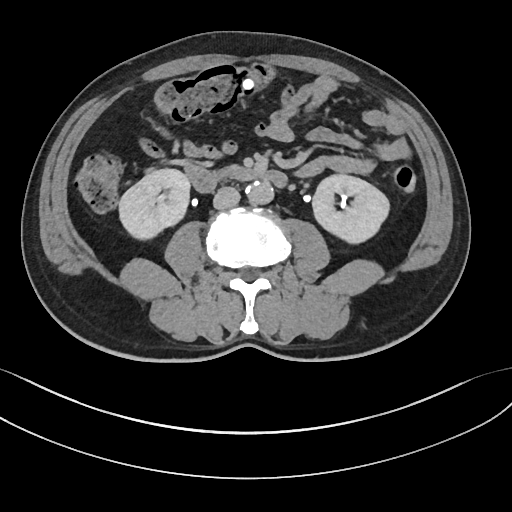

CT abdomen · axial plane, index 127 · 512x512 px
Box edges are left/top/right/bottom in pixels.
right kidney: left=118, top=169, right=190, bottom=238
left kidney: left=312, top=175, right=390, bottom=242
aorta: left=248, top=181, right=274, bottom=204
inferior vena cava: left=213, top=187, right=240, bottom=209
duodenum: left=182, top=163, right=288, bottom=192